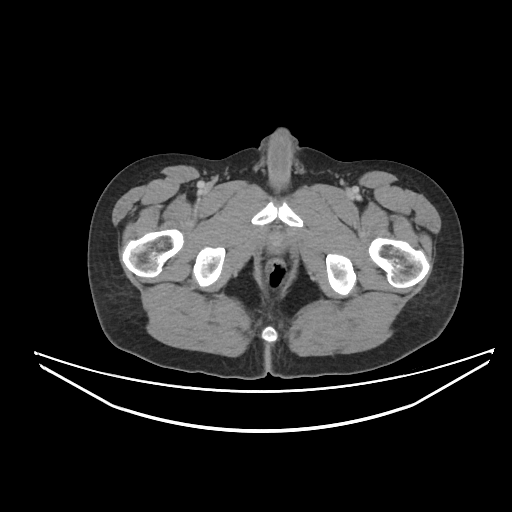 CT abdomen — axial plane, index 6 — 512x512 px
Organ boxes in pixel coordinates; each row gives the top-left (x1, y1) and bottom-right (x2, y2) corners.
| organ | x1 | y1 | x2 | y2 |
|---|---|---|---|---|
| prostate/uterus | 271 | 243 | 281 | 251 |